Computed tomography, abdomen. axial view. W/L 400/40 HU. 15 organs annotated in this scan (a whole-scan count: organs this slice does not pass through have no box)
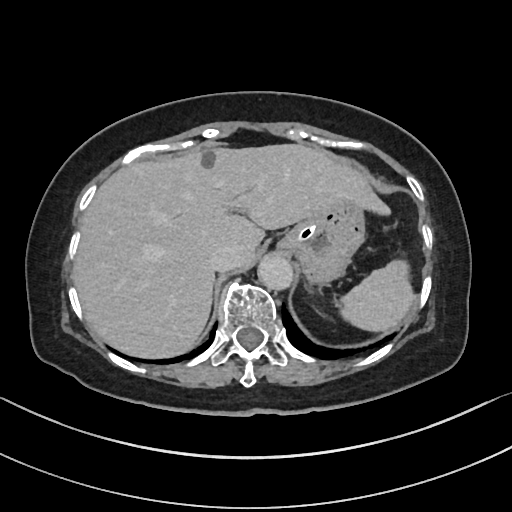 {"organs":{"inferior vena cava":[208,243,238,270],"spleen":[342,259,411,331],"liver":[72,144,391,359],"aorta":[257,253,291,288],"stomach":[280,200,364,285]}}